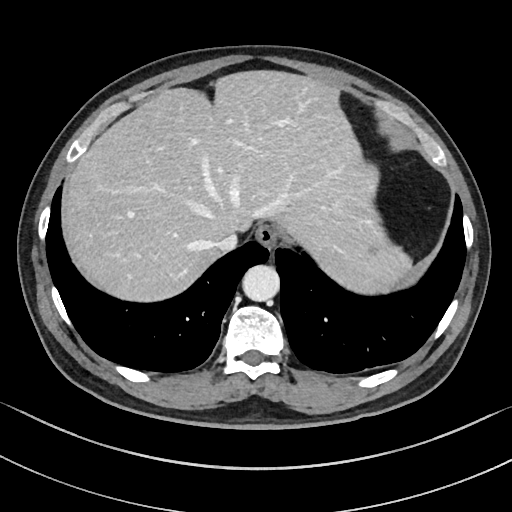 Abdominal CT — axial view
{"organs":{"spleen":[348,245,412,294],"esophagus":[256,224,279,249],"liver":[62,70,392,301],"aorta":[242,265,280,301],"inferior vena cava":[217,232,237,251]}}